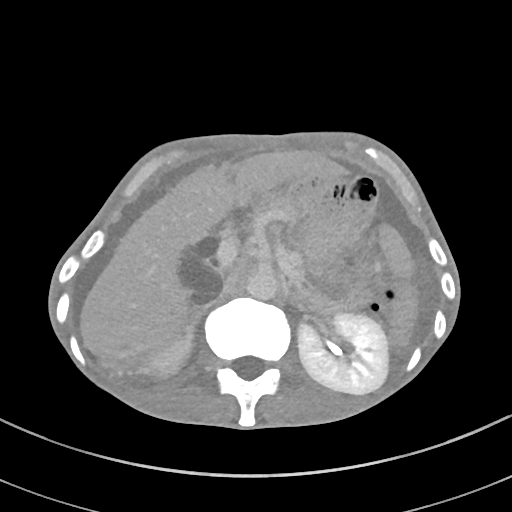 CT abdomen · axial plane, index 64 · 512x512 px
{"organs":{"stomach":[251,186,377,250],"aorta":[245,268,278,300],"right adrenal gland":[187,270,217,330],"duodenum":[225,200,255,218],"pancreas":[285,247,328,301],"liver":[81,151,343,357],"left kidney":[170,313,388,394],"right kidney":[149,330,192,373],"left adrenal gland":[293,292,308,306],"gall bladder":[177,258,222,307],"spleen":[380,226,417,346]}}